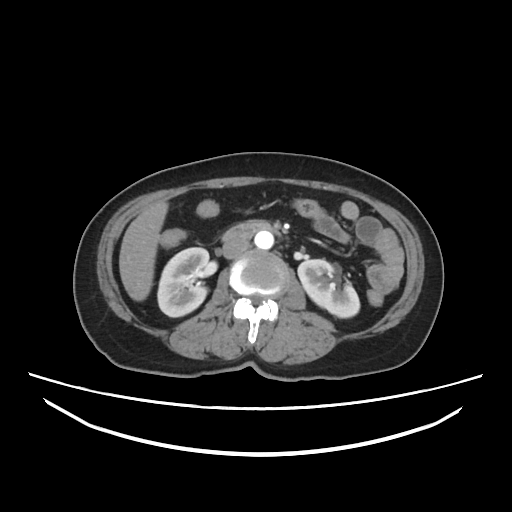
CT, abdomen/pelvis — Axial slice 48/80 — soft-tissue window (W 400 / L 40)
Box edges are left/top/right/bottom in pixels. Labeled organs on this slice: right kidney at left=157, top=247, right=208, bottom=317, left kidney at left=297, top=259, right=361, bottom=317, liver at left=119, top=201, right=168, bottom=300, aorta at left=255, top=231, right=273, bottom=249, inferior vena cava at left=220, top=236, right=250, bottom=258, duodenum at left=222, top=220, right=270, bottom=242.